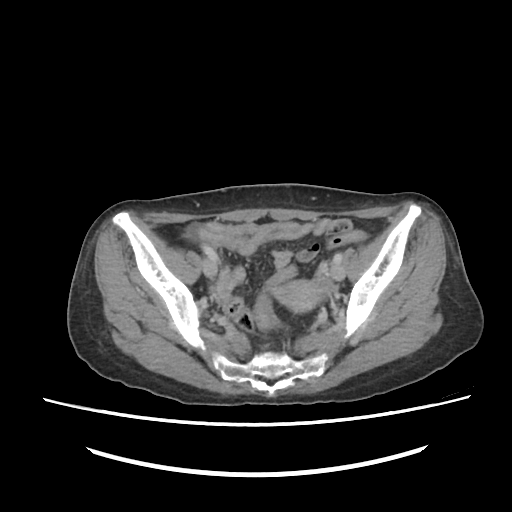
CT abdomen; axial view; 512x512 px; 60-year-old female patient; scan has 15 labeled organs (that count is for the whole scan; organs this slice misses have no box)
Coordinates as <box>x1,y1,x2,y2</box> in pixels.
Organ bounding boxes:
- prostate/uterus: <box>267,279,329,312</box>